Computed tomography, abdomen — axial view — 512x512 px — scan has 14 labeled organs (that count is for the whole scan; organs this slice misses have no box)
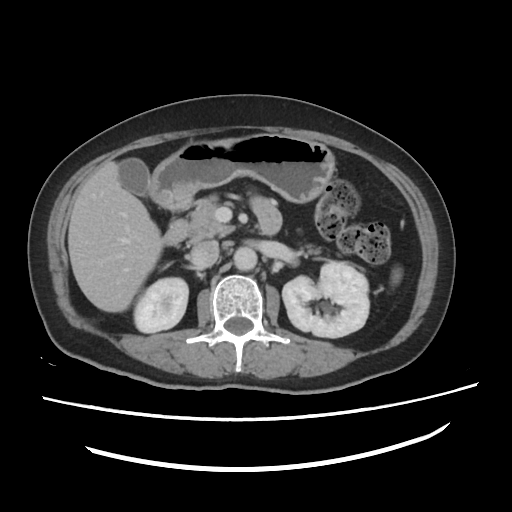
Each box given as x1,y1,x2,y2. The annotated organs in this slice are: gall bladder at x1=118, y1=158, x2=149, y2=196, liver at x1=69, y1=161, x2=162, y2=312, stomach at x1=150, y1=133, x2=334, y2=210, spleen at x1=393, y1=267, x2=401, y2=283, duodenum at x1=163, y1=196, x2=283, y2=246, aorta at x1=234, y1=248, x2=257, y2=270, pancreas at x1=189, y1=194, x2=321, y2=254, inferior vena cava at x1=189, y1=240, x2=219, y2=268, right kidney at x1=134, y1=277, x2=188, y2=333, left kidney at x1=282, y1=261, x2=369, y2=337.